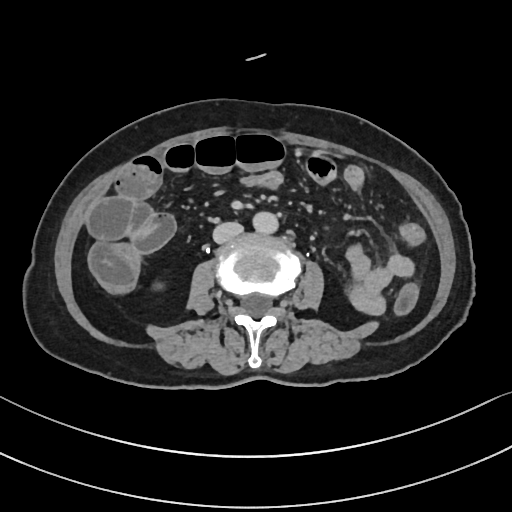 Computed tomography, abdomen; Axial slice 112/212; W/L 400/40 HU
{"organs":{"aorta":[251,211,276,233],"inferior vena cava":[213,222,243,243]}}